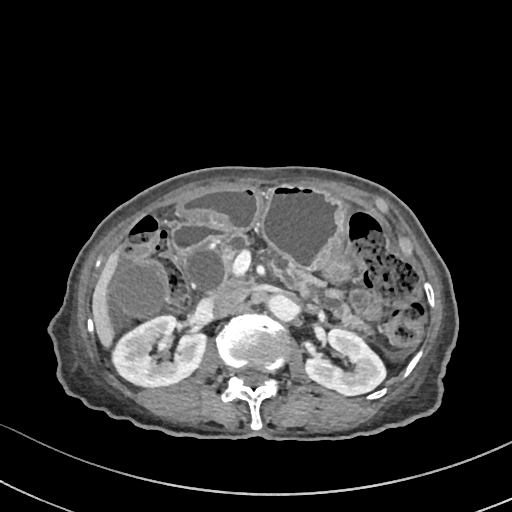 Computed tomography, abdomen · axial view · abdomen soft-tissue window · 15 organs annotated in this scan (that count is for the whole scan; organs this slice misses have no box)
Bounding boxes in pixels, one row per box: x1, y1 is the top-left corner and x2, y2 the bottom-right.
| organ | x1 | y1 | x2 | y2 |
|---|---|---|---|---|
| right kidney | 112 | 315 | 206 | 386 |
| left kidney | 305 | 328 | 385 | 395 |
| gall bladder | 112 | 264 | 164 | 315 |
| liver | 92 | 252 | 119 | 347 |
| stomach | 177 | 185 | 355 | 282 |
| aorta | 267 | 295 | 297 | 321 |
| inferior vena cava | 212 | 287 | 247 | 317 |
| pancreas | 216 | 231 | 373 | 334 |
| duodenum | 172 | 221 | 225 | 259 |